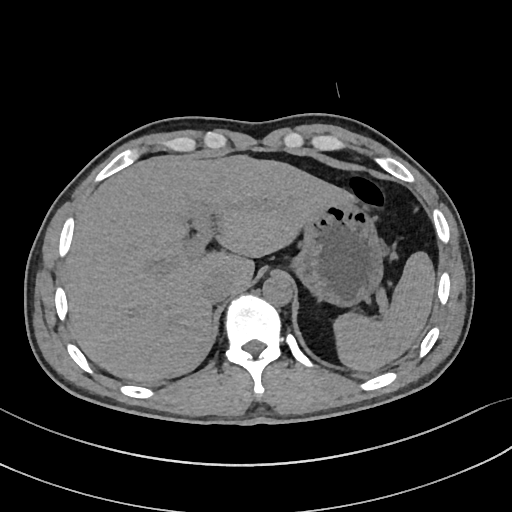

Computed tomography, abdomen · Axial slice 198/228 · abdomen soft-tissue window · 512x512 px · 15 organs annotated in this scan (counted over the whole 3D scan, not this slice; an organ is boxed only where this slice passes through it)
Box edges are left/top/right/bottom in pixels.
Organ bounding boxes:
- spleen: left=335, top=251, right=436, bottom=371
- liver: left=65, top=153, right=349, bottom=382
- stomach: left=295, top=200, right=382, bottom=304
- aorta: left=262, top=274, right=293, bottom=305
- inferior vena cava: left=202, top=273, right=232, bottom=302